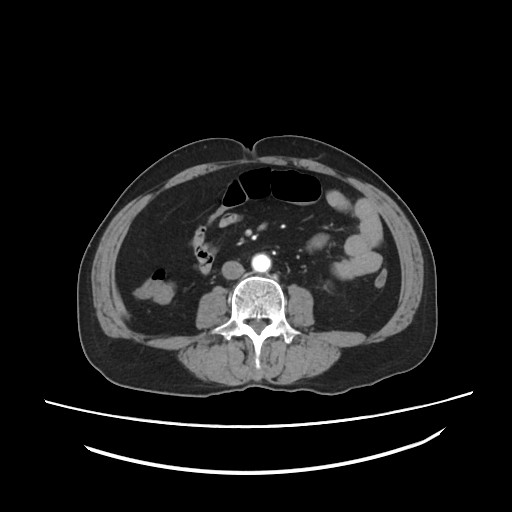
CT abdomen; axial view; abdomen soft-tissue window; 512x512 px; 68-year-old male patient; acquired on Aquilion ONE
<organs><organ name="inferior vena cava" x1="222" y1="261" x2="244" y2="279"/><organ name="aorta" x1="246" y1="253" x2="271" y2="272"/></organs>